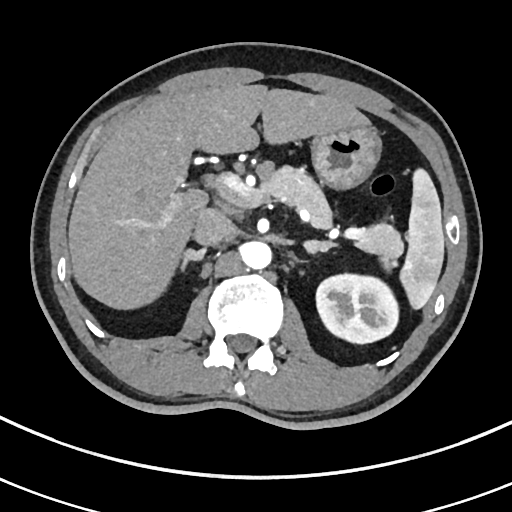 CT, abdomen/pelvis · axial plane, index 148 · soft-tissue window
Boxes: x1 y1 x2 y2 (pixel coords, space-separated).
spleen: 399 168 444 309
left kidney: 316 274 398 343
liver: 68 84 369 309
stomach: 311 126 381 189
aorta: 240 241 272 269
inferior vena cava: 193 208 234 245
pancreas: 263 166 402 268
right adrenal gland: 180 248 205 275
left adrenal gland: 304 241 334 253